Computed tomography, abdomen · axial view · 512x512 px · SOMATOM Force scanner
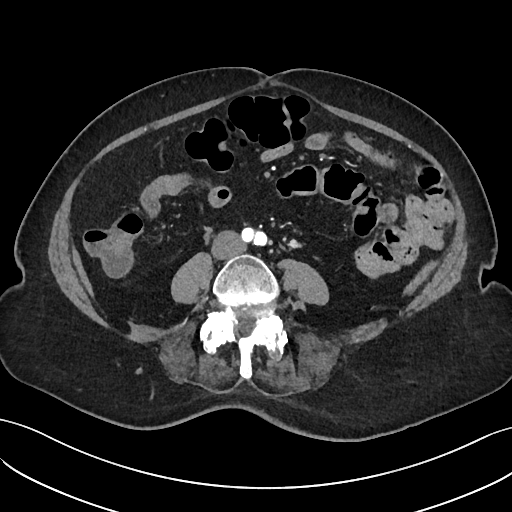
{"organs":{"inferior vena cava":[211,230,244,258],"aorta":[241,231,264,243]}}